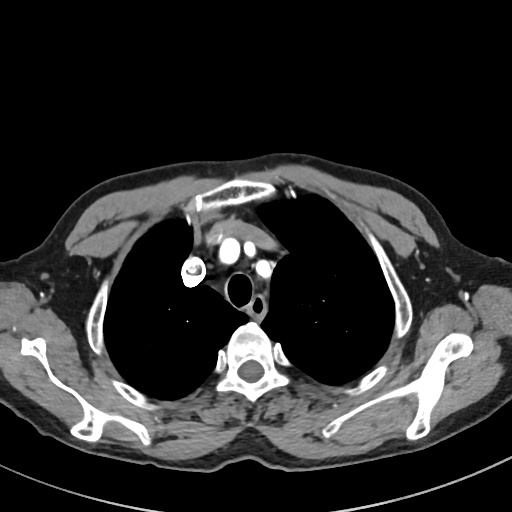
Chest-level CT slice, above the liver and spleen — axial view — soft-tissue window, W/L 400/40 — 512x512 px — acquired on SOMATOM Force
On a slice this high in the chest, this dataset labels only the esophagus and the aorta, and each is boxed only where it is labeled; the heart, lungs and other chest structures are not labeled.
Coordinates as <box>x1,y1,x2,y2</box> in pixels.
Organ bounding boxes:
- esophagus: <box>247,297,266,318</box>